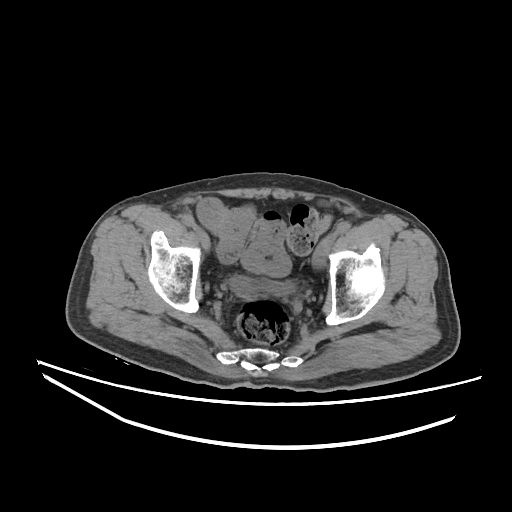 CT, abdomen/pelvis; Axial slice 25/89
Each box given as x1,y1,x2,y2.
bladder: x1=230, y1=276, x2=294, y2=300